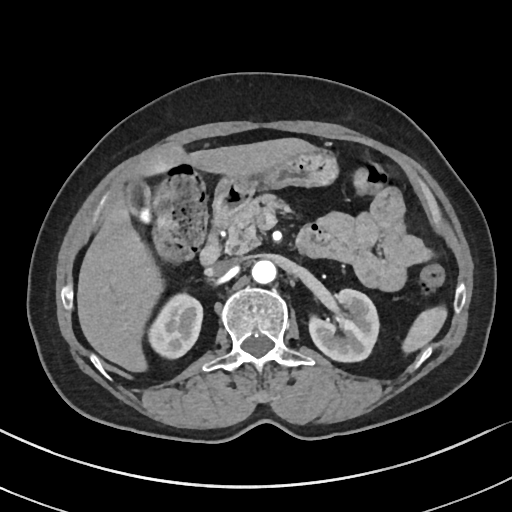
CT, abdomen/pelvis; axial view; soft-tissue window; acquired on SOMATOM Force
<organs><organ name="liver" x1="77" y1="137" x2="313" y2="370"/><organ name="inferior vena cava" x1="211" y1="258" x2="241" y2="274"/><organ name="right kidney" x1="149" y1="294" x2="203" y2="359"/><organ name="gall bladder" x1="125" y1="174" x2="150" y2="223"/><organ name="spleen" x1="401" y1="307" x2="446" y2="352"/><organ name="aorta" x1="251" y1="258" x2="275" y2="282"/><organ name="stomach" x1="216" y1="150" x2="336" y2="198"/><organ name="pancreas" x1="224" y1="195" x2="277" y2="253"/><organ name="left kidney" x1="310" y1="289" x2="379" y2="361"/><organ name="duodenum" x1="199" y1="187" x2="347" y2="265"/></organs>